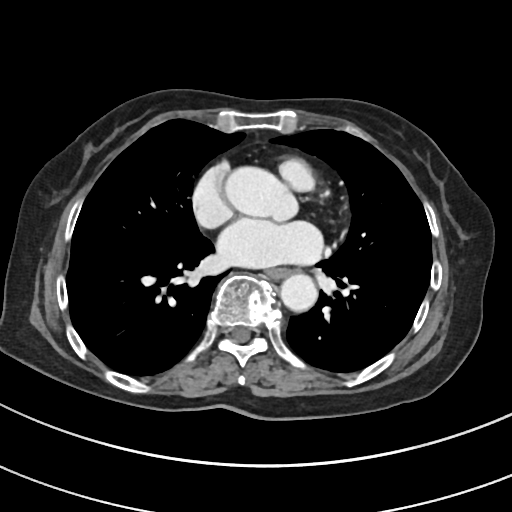
Lower-chest slice from an abdominal CT, just above the liver and spleen; axial view
Of the structures in the chest, this dataset labels only the esophagus, the aorta and the inferior vena cava; the heart and lungs have no label.
Boxes: x1:y1:x2:y2 in pixels.
Organ bounding boxes:
- esophagus: 266:268:289:279
- aorta: 279:275:317:312